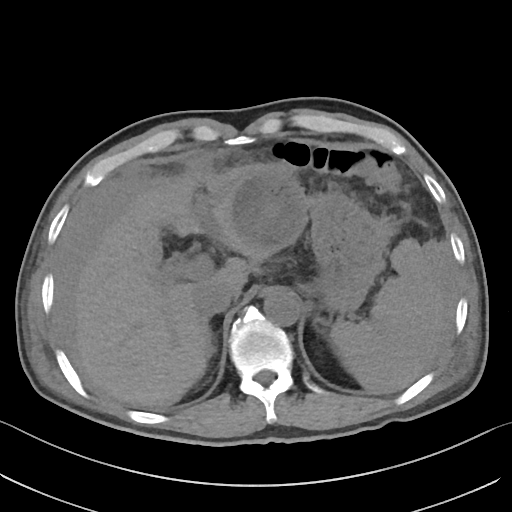
Abdominal CT. axial view. soft-tissue window. SOMATOM Force scanner. scan has 15 labeled organs (that count is for the whole scan; organs this slice misses have no box)
Organ boxes in pixel coordinates; each row gives the top-left (x1, y1) and bottom-right (x2, y2) corners.
| organ | x1 | y1 | x2 | y2 |
|---|---|---|---|---|
| spleen | 330 | 239 | 445 | 394 |
| liver | 73 | 163 | 308 | 407 |
| stomach | 304 | 190 | 392 | 311 |
| aorta | 264 | 292 | 300 | 325 |
| inferior vena cava | 193 | 282 | 235 | 316 |
| right adrenal gland | 212 | 338 | 216 | 352 |